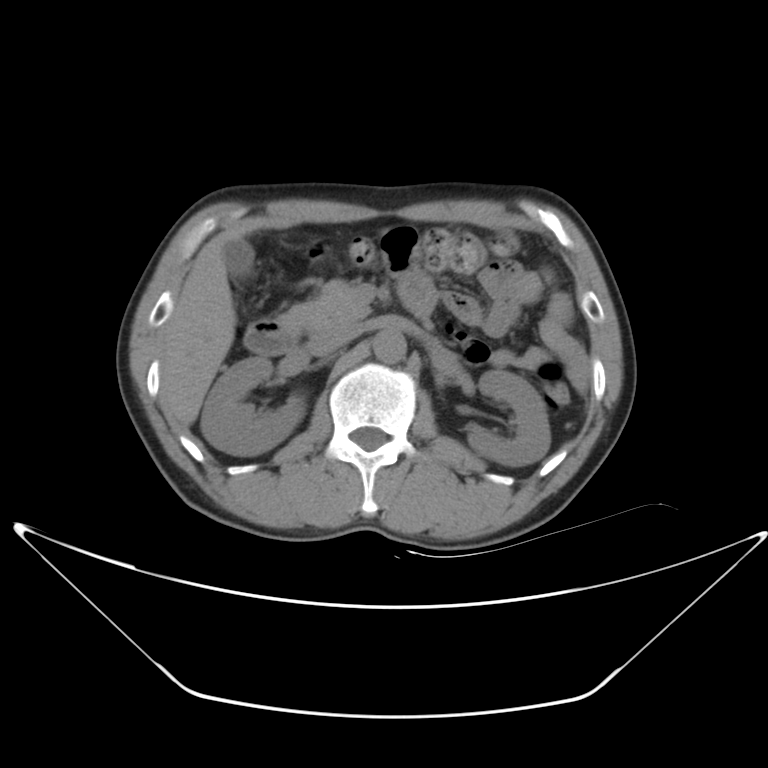 Abdominal CT. axial plane, index 65. W/L 400/40 HU. 51-year-old male patient. acquired on Brilliance16. scan has 15 labeled organs (counted over the whole 3D scan, not this slice; an organ is boxed only where this slice passes through it)
Box edges are left/top/right/bottom in pixels. The annotated organs in this slice are: right kidney at left=201, top=357, right=304, bottom=455, left kidney at left=465, top=368, right=551, bottom=468, gall bladder at left=224, top=238, right=256, bottom=280, liver at left=165, top=231, right=248, bottom=424, aorta at left=373, top=330, right=405, bottom=361, inferior vena cava at left=308, top=323, right=359, bottom=356, pancreas at left=277, top=278, right=369, bottom=331, duodenum at left=244, top=274, right=436, bottom=354.